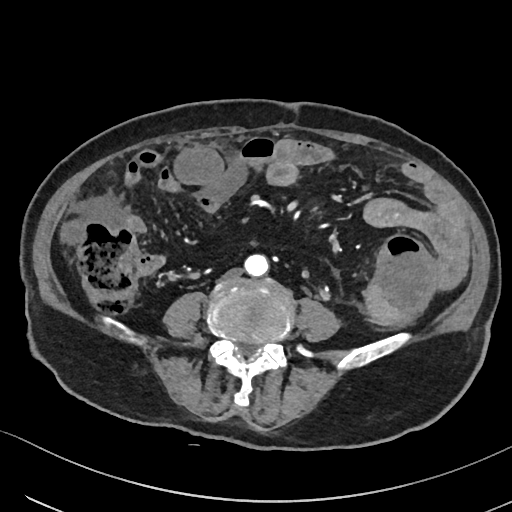

Abdominal CT; axial plane, index 108; 512x512 px
Boxes are (x1, y1, x2, y2) in pixels.
aorta: (244, 254, 269, 276)
inferior vena cava: (223, 268, 241, 279)